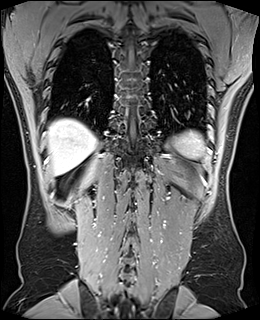

Abdominal MR — coronal acquisition — acquired on Prisma
Box edges are left/top/right/bottom in pixels.
Organ bounding boxes:
- spleen: left=172, top=130, right=206, bottom=158
- liver: left=48, top=119, right=96, bottom=175